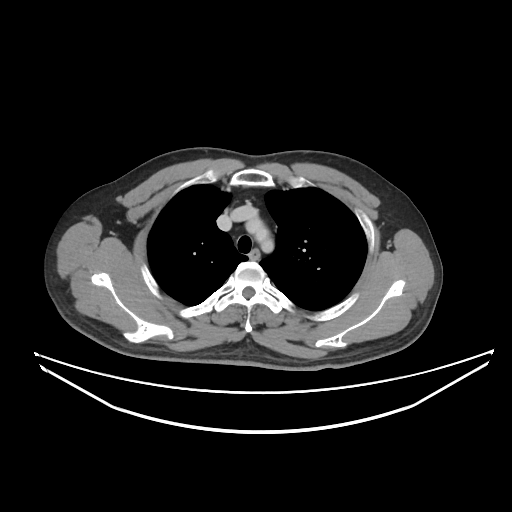
Chest-level slice from an abdominal CT that extends up into the chest — axial view — soft-tissue window (W 400 / L 40) — 40-year-old male patient
At this level of the chest this dataset labels only the esophagus and the aorta, and each is boxed only where it is labeled; the heart and lungs are never labeled. Bounding boxes as [x1, y1, x2, y2] in pixel coordinates. The annotated organs in this slice are: esophagus at [249, 249, 259, 259], aorta at [250, 221, 272, 249].